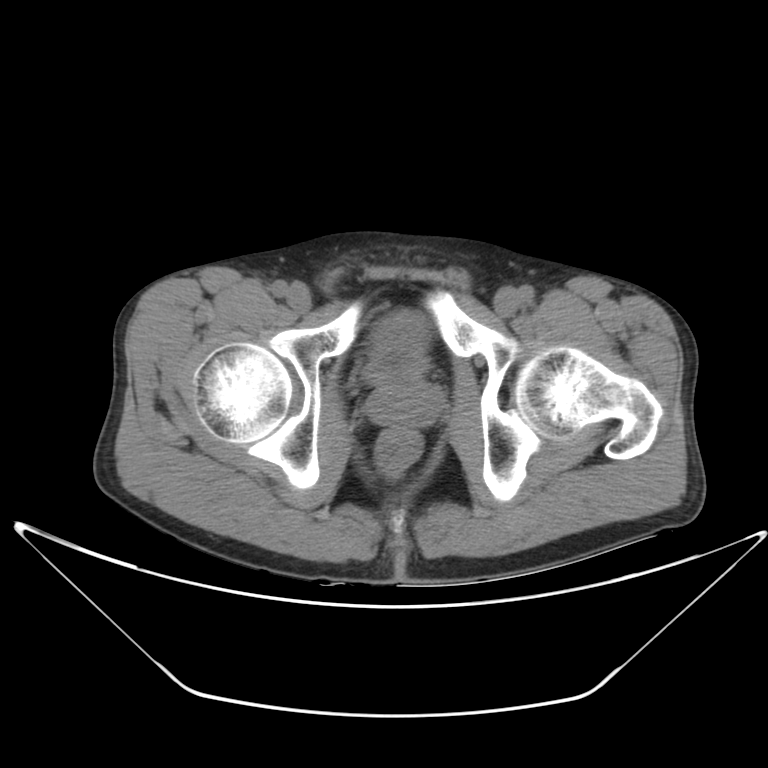

Abdominal CT; axial view; 768x768 px; acquired on Brilliance16
<organs><organ name="bladder" x1="365" y1="310" x2="432" y2="384"/><organ name="prostate/uterus" x1="368" y1="381" x2="443" y2="423"/></organs>